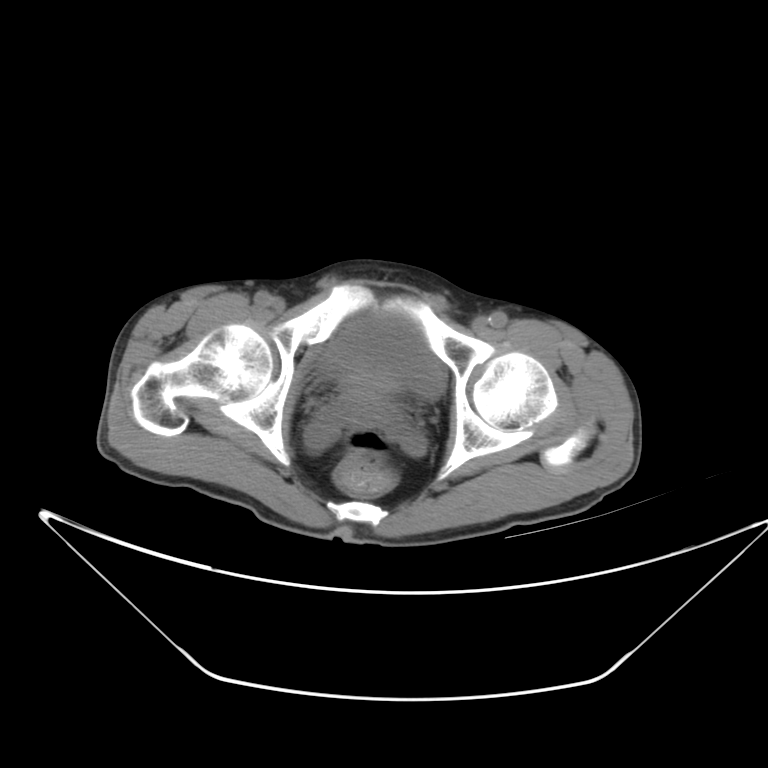
CT abdomen. Axial slice 16/96
{"organs":{"bladder":[326,315,443,398],"prostate/uterus":[341,374,400,414]}}